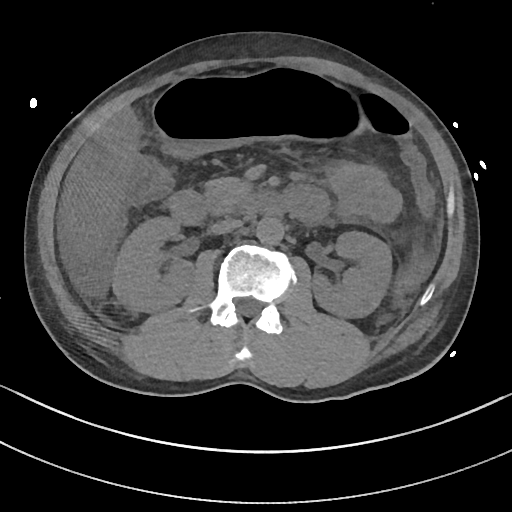 Computed tomography, abdomen — axial view
One row per box, in pixels: columns x1 and y1 give the top-left corner, x2 and y2 the bottom-right.
| organ | x1 | y1 | x2 | y2 |
|---|---|---|---|---|
| spleen | 394 | 258 | 424 | 296 |
| right kidney | 112 | 216 | 194 | 312 |
| left kidney | 312 | 231 | 392 | 318 |
| liver | 63 | 109 | 140 | 256 |
| stomach | 151 | 71 | 362 | 156 |
| aorta | 255 | 216 | 284 | 244 |
| inferior vena cava | 210 | 218 | 242 | 234 |
| pancreas | 204 | 177 | 252 | 214 |
| duodenum | 168 | 186 | 327 | 225 |